CT abdomen · axial view
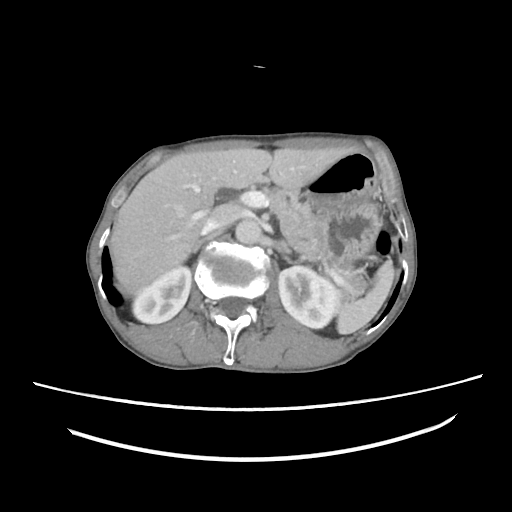

Each box given as x1,y1,x2,y2. Labeled organs on this slice: spleen at x1=337, y1=262, x2=393, y2=334, right kidney at x1=132, y1=266, x2=191, y2=323, left kidney at x1=278, y1=266, x2=342, y2=328, liver at x1=110, y1=147, x2=351, y2=294, stomach at x1=303, y1=151, x2=380, y2=266, aorta at x1=235, y1=219, x2=261, y2=244, inferior vena cava at x1=202, y1=204, x2=240, y2=233, pancreas at x1=267, y1=188, x2=364, y2=290, right adrenal gland at x1=186, y1=238, x2=207, y2=259, left adrenal gland at x1=278, y1=241, x2=291, y2=254.